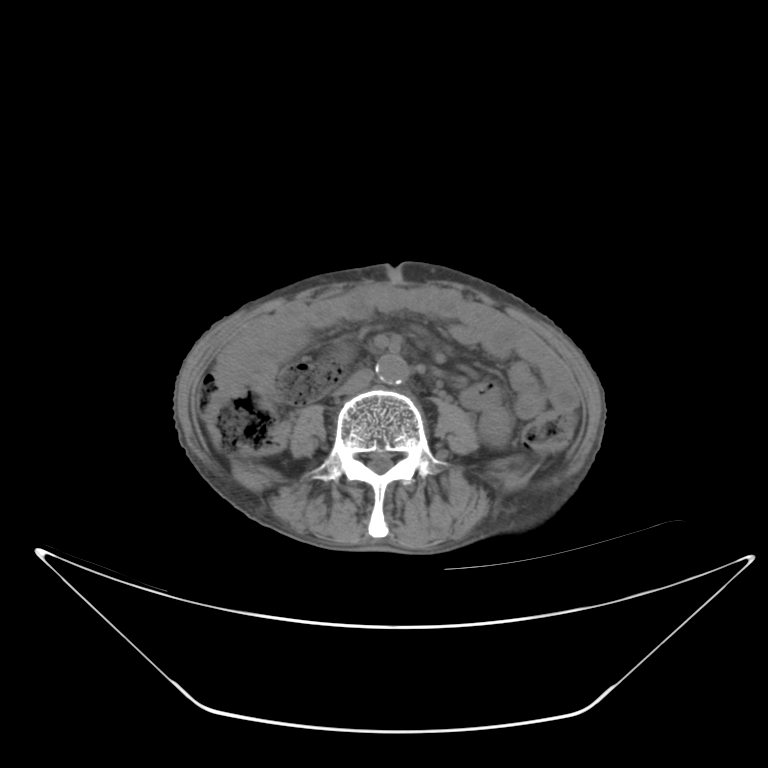 Abdominal CT; axial plane, index 49
Box edges are left/top/right/bottom in pixels.
Organ bounding boxes:
- inferior vena cava: left=333, top=368, right=372, bottom=395
- aorta: left=375, top=354, right=409, bottom=384